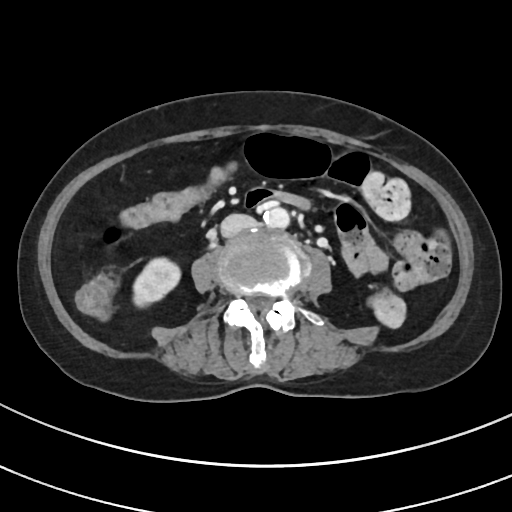 Abdominal CT — axial view — scan has 15 labeled organs (a whole-scan count: organs this slice does not pass through have no box)
Bounding boxes in pixels, one row per box: x1, y1 is the top-left corner and x2, y2 the bottom-right.
| organ | x1 | y1 | x2 | y2 |
|---|---|---|---|---|
| inferior vena cava | 220 | 214 | 256 | 237 |
| right kidney | 133 | 257 | 180 | 307 |
| aorta | 263 | 206 | 289 | 228 |